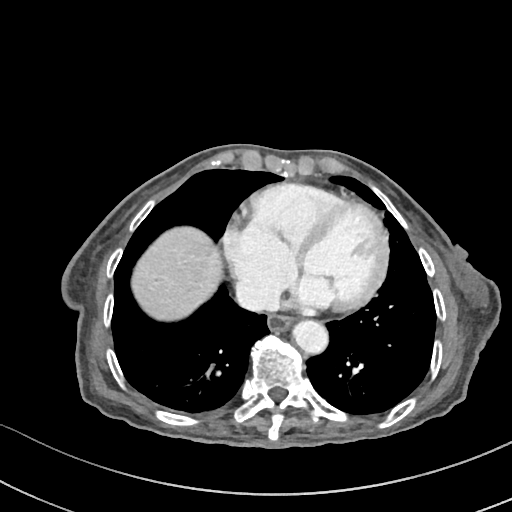 CT abdomen; axial view
Bounding boxes in pixels, one row per box: x1, y1 is the top-left corner and x2, y2 the bottom-right.
| organ | x1 | y1 | x2 | y2 |
|---|---|---|---|---|
| esophagus | 268 | 315 | 293 | 332 |
| liver | 132 | 227 | 221 | 319 |
| aorta | 293 | 321 | 329 | 355 |
| inferior vena cava | 235 | 280 | 277 | 310 |